CT abdomen · axial plane, index 144 · acquired on SOMATOM Force · 15 organs annotated in this scan (counted over the whole 3D scan, not this slice; an organ is boxed only where this slice passes through it)
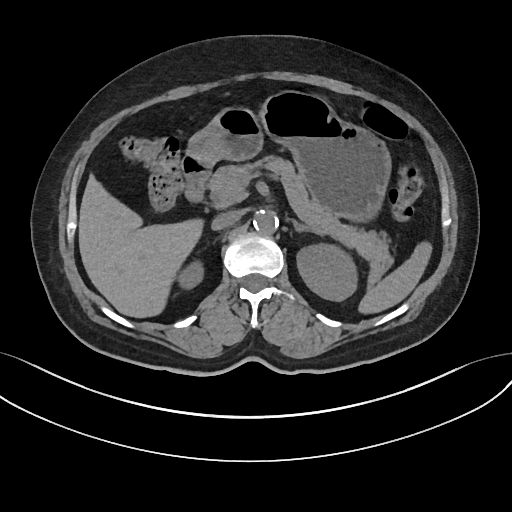 Boxes: x1 y1 x2 y2 (pixel coords, space-separated).
Organ bounding boxes:
- spleen: 360 243 430 311
- right kidney: 179 265 204 289
- left kidney: 296 242 358 300
- liver: 79 177 202 316
- stomach: 187 90 389 216
- aorta: 253 210 278 233
- inferior vena cava: 211 210 240 229
- pancreas: 208 156 393 281
- left adrenal gland: 294 221 323 235
- duodenum: 182 156 209 204